Magnetic resonance imaging, abdomen — axial view — 1st–99th percentile window — 320x260 px
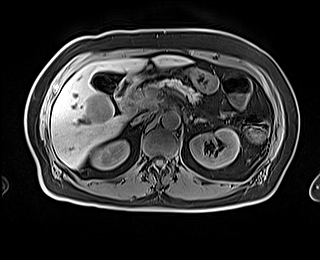
{"organs":{"duodenum":[115,76,140,117],"inferior vena cava":[132,112,151,124],"liver":[50,55,190,168],"gall bladder":[93,75,116,94],"aorta":[161,111,179,128],"stomach":[186,67,220,94],"right kidney":[91,140,129,169],"pancreas":[133,78,199,106],"left kidney":[189,128,239,168],"left adrenal gland":[194,118,205,124]}}